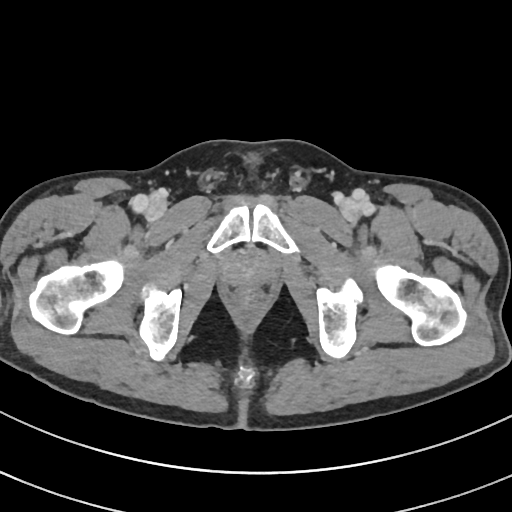
Abdominal CT · axial view · 512x512 px
Boxes: x1:y1:x2:y2 in pixels.
Organ bounding boxes:
- prostate/uterus: 227:252:271:283